Magnetic resonance imaging, abdomen. axial plane, index 14. acquired on Prisma
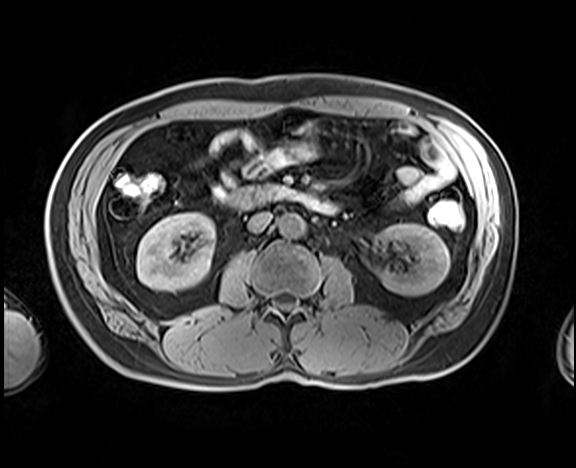

{"organs":{"right kidney":[137,213,215,291],"left kidney":[375,223,450,296],"aorta":[278,213,305,238],"inferior vena cava":[247,211,272,232],"duodenum":[223,182,339,214]}}